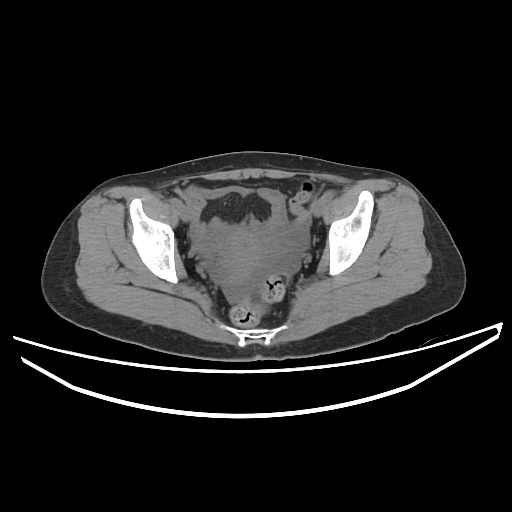 Abdominal CT · axial view · 512x512 px · 15 organs annotated in this scan (that count is for the whole scan; organs this slice misses have no box)
Bounding boxes as [x1, y1, x2, y2] in pixel coordinates.
Organ bounding boxes:
- prostate/uterus: [219, 232, 269, 283]